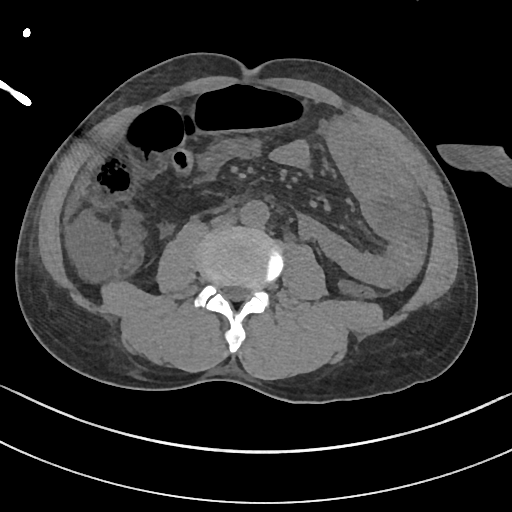 CT, abdomen/pelvis · axial plane, index 123
Bounding boxes in pixels, one row per box: x1, y1 is the top-left corner and x2, y2 the bottom-right.
| organ | x1 | y1 | x2 | y2 |
|---|---|---|---|---|
| aorta | 240 | 200 | 269 | 226 |
| inferior vena cava | 211 | 214 | 236 | 226 |